Chest-level slice from an abdominal CT that extends up into the chest — axial plane, index 234 — 15 organs annotated in this scan (a whole-scan count: organs this slice does not pass through have no box)
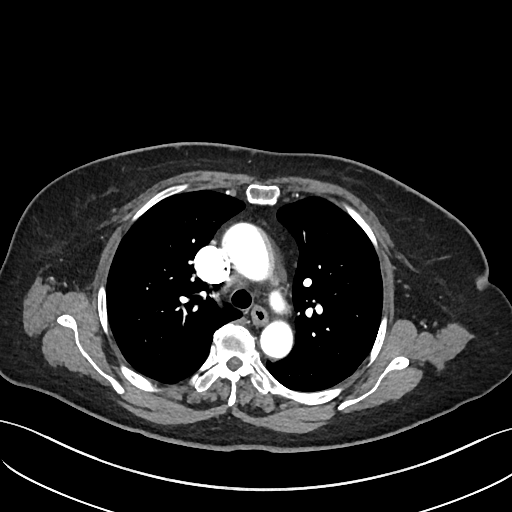

On a slice this high in the chest, this dataset labels only the esophagus and the aorta, and each is boxed only where it is labeled; the heart, lungs and other chest structures are not labeled.
One row per box, in pixels: columns x1 and y1 give the top-left corner, x2 and y2 the bottom-right.
| organ | x1 | y1 | x2 | y2 |
|---|---|---|---|---|
| esophagus | 251 | 306 | 267 | 324 |
| aorta | 222 | 223 | 270 | 280 |
| aorta | 260 | 320 | 292 | 358 |